Abdominal CT · axial view · soft-tissue window (W 400 / L 40)
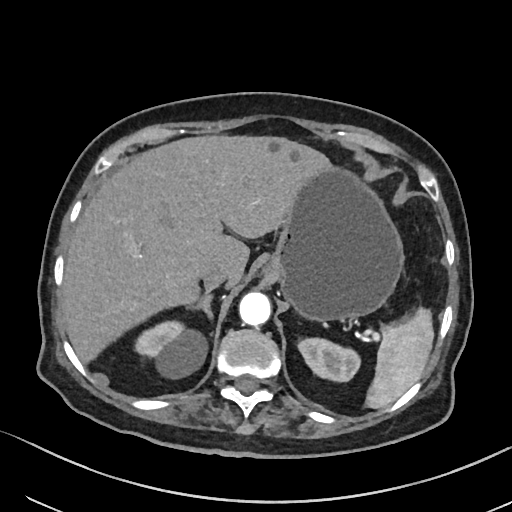
Box edges are left/top/right/bottom in pixels.
spleen: left=366, top=308, right=434, bottom=408
right kidney: left=135, top=321, right=209, bottom=380
left kidney: left=298, top=338, right=361, bottom=382
liver: left=62, top=134, right=328, bottom=360
stomach: left=266, top=162, right=404, bottom=320
aorta: left=239, top=291, right=271, bottom=325
inferior vena cava: left=202, top=266, right=229, bottom=291
right adrenal gland: left=188, top=292, right=215, bottom=315